CT, abdomen/pelvis · Axial slice 89/187 · soft-tissue window (W 400 / L 40) · 512x512 px
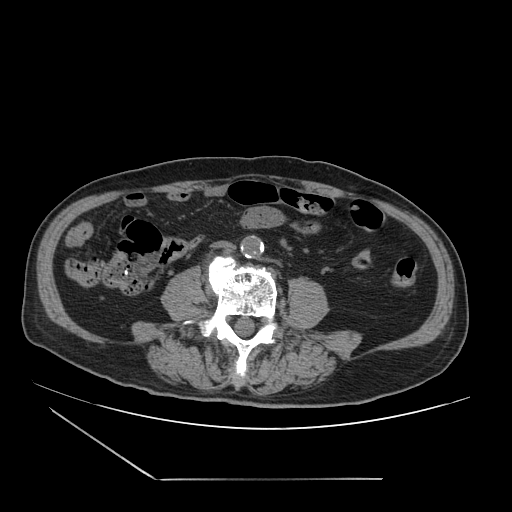

Boxes: x1 y1 x2 y2 (pixel coords, space-separated).
Organ bounding boxes:
- aorta: 240 235 264 258
- inferior vena cava: 212 241 235 251